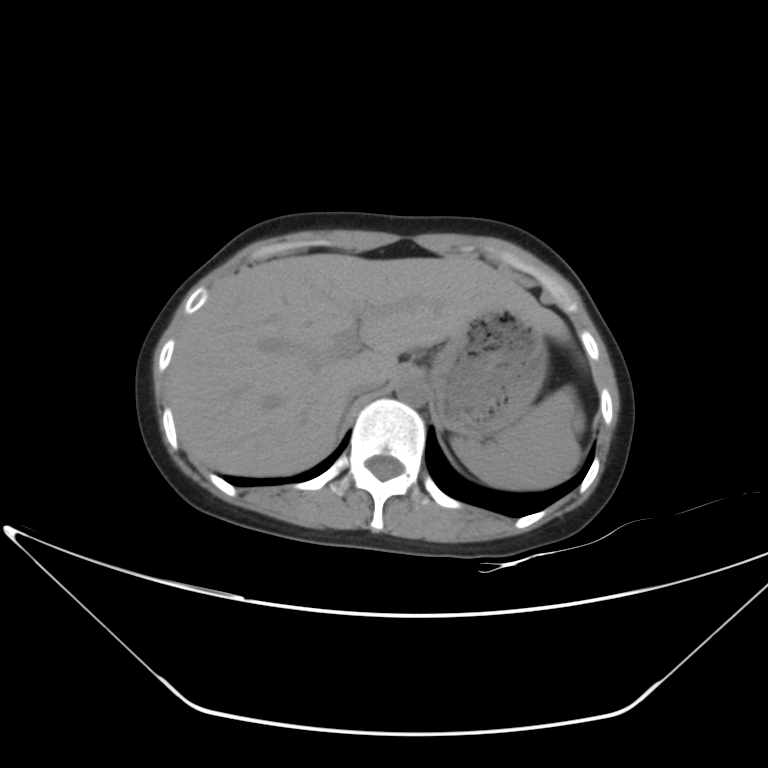
Abdominal CT. axial view
Coordinates as <box>x1,y1,x2,y2</box> in pixels.
spleen: <box>452,386,584,489</box>
liver: <box>168,253,570,475</box>
stomach: <box>431,310,549,439</box>
aorta: <box>395,376,428,405</box>
inferior vena cava: <box>347,379,375,398</box>